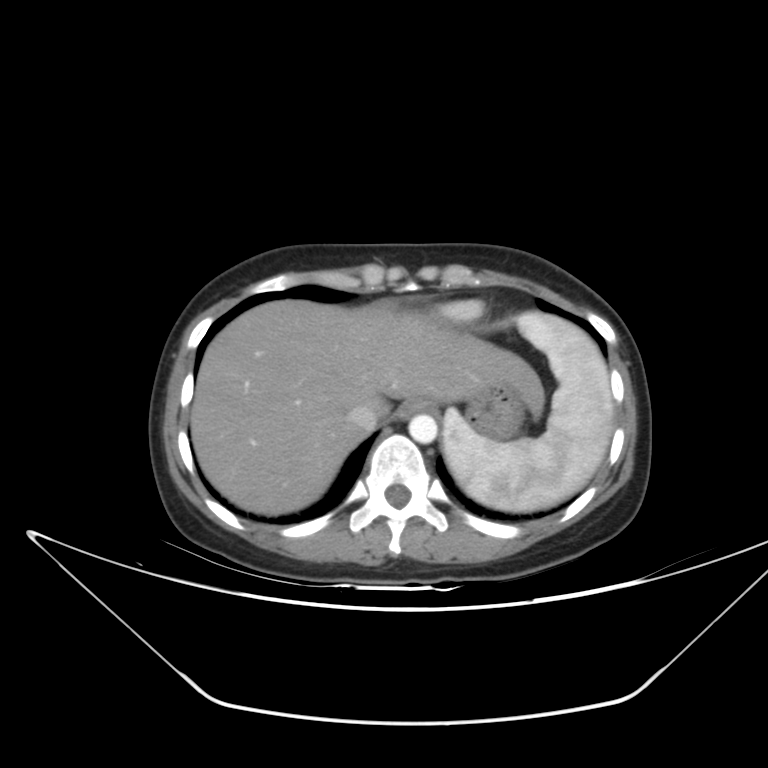

Abdominal CT; axial view; abdomen soft-tissue window; 768x768 px; 13 organs annotated in this scan (a whole-scan count: organs this slice does not pass through have no box)
Coordinates as <box>x1,y1,x2,y2</box> in pixels. The annotated organs in this slice are: spleen at <box>443,312,614,512</box>, esophagus at <box>396,400,430,418</box>, liver at <box>190,300,544,514</box>, stomach at <box>465,383,526,440</box>, aorta at <box>408,414,437,443</box>, inferior vena cava at <box>346,404,378,432</box>.